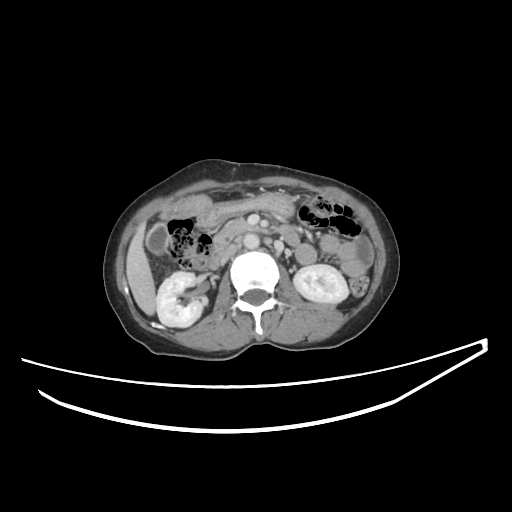

Computed tomography, abdomen. axial view. soft-tissue window (W 400 / L 40)
Organ boxes in pixel coordinates; each row gives the top-left (x1, y1) and bottom-right (x2, y2) corners.
| organ | x1 | y1 | x2 | y2 |
|---|---|---|---|---|
| duodenum | 207 | 224 | 299 | 269 |
| stomach | 200 | 191 | 293 | 227 |
| liver | 126 | 194 | 211 | 315 |
| pancreas | 214 | 217 | 254 | 247 |
| right kidney | 156 | 271 | 206 | 327 |
| left kidney | 293 | 264 | 348 | 303 |
| inferior vena cava | 221 | 244 | 237 | 264 |
| aorta | 243 | 234 | 259 | 248 |
| gall bladder | 146 | 222 | 169 | 254 |